CT, abdomen/pelvis; axial view; 512x512 px
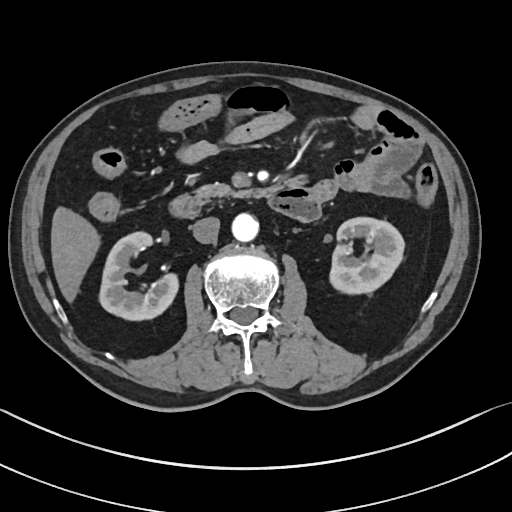
Each box given as x1,y1,x2,y2. Labeled organs on this slice: pancreas at x1=194, y1=182, x2=261, y2=204, duodenum at x1=169, y1=185, x2=319, y2=219, aorta at x1=231, y1=213, x2=258, y2=241, right kidney at x1=99, y1=231, x2=178, y2=320, liver at x1=51, y1=206, x2=100, y2=302, left kidney at x1=330, y1=217, x2=404, y2=294, inferior vena cava at x1=192, y1=217, x2=220, y2=243.